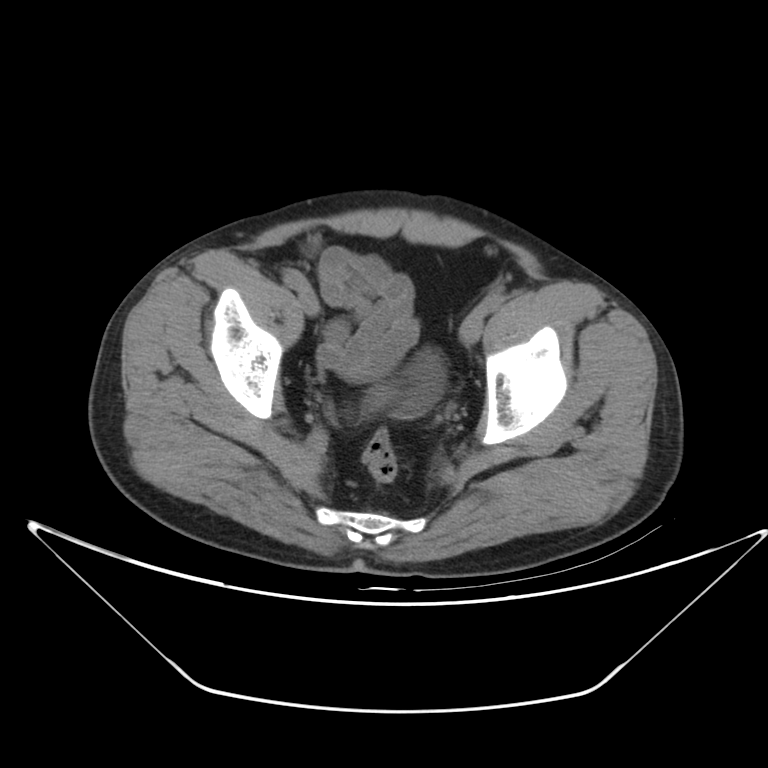
CT, abdomen/pelvis · axial view · 45-year-old male patient
Boxes: x1:y1:x2:y2 in pixels.
bladder: 399:351:446:416